Lower-chest slice from an abdominal CT, just above the liver and spleen · Axial slice 82/82 · W/L 400/40 HU
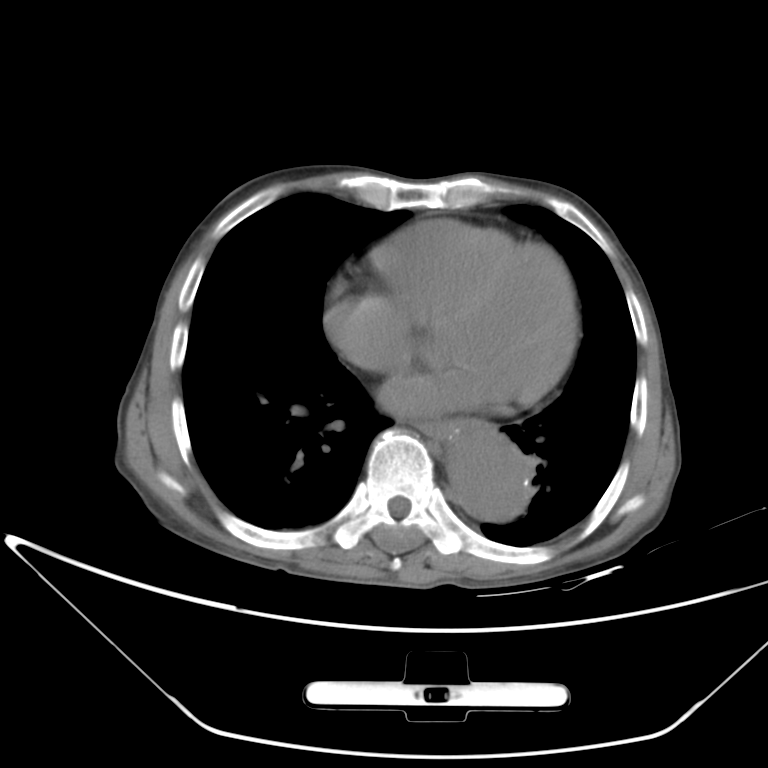
Of the structures in the chest, this dataset labels only the esophagus, the aorta and the inferior vena cava; the heart and lungs have no label.
{"organs":{"esophagus":[414,419,455,439],"aorta":[447,422,533,520]}}